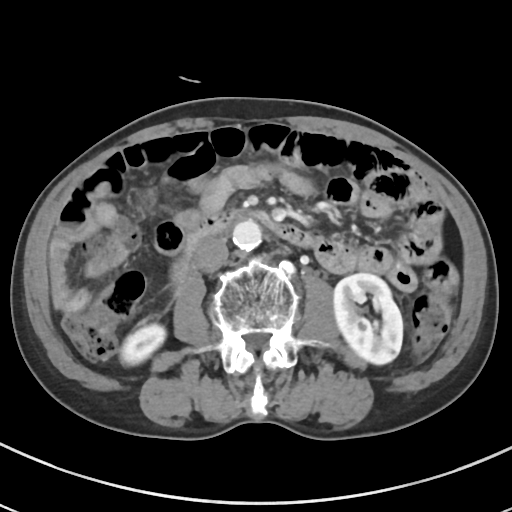 Abdominal CT · axial plane, index 48 · 512x512 px · acquired on SOMATOM Force
Each box given as x1,y1,x2,y2. The annotated organs in this slice are: right kidney at x1=120, y1=324, x2=165, y2=365, left kidney at x1=333, y1=273, x2=403, y2=364, aorta at x1=232, y1=220, x2=261, y2=250, inferior vena cava at x1=194, y1=236, x2=228, y2=272, duodenum at x1=172, y1=211, x2=317, y2=283.